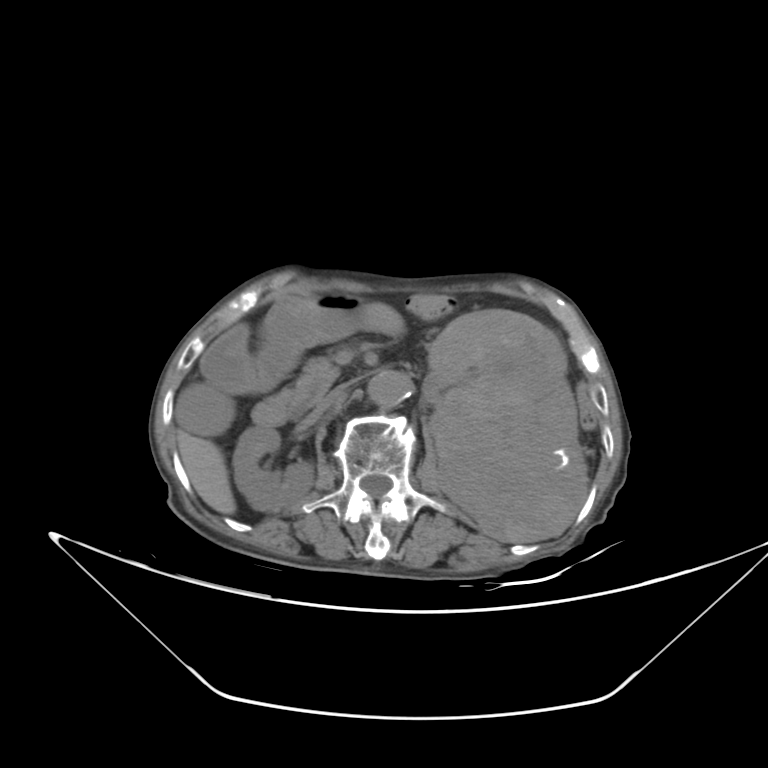

CT abdomen · axial view · W/L 400/40 HU
Coordinates as <box>x1,y1,x2,y2</box> in pixels. 9 labeled organs on this slice — inferior vena cava at <box>316,376,363,412</box>; gall bladder at <box>175,382,234,434</box>; pancreas at <box>288,353,342,414</box>; left kidney at <box>425,310,589,541</box>; duodenum at <box>200,325,290,428</box>; stomach at <box>253,294,365,381</box>; right kidney at <box>233,426,315,513</box>; aorta at <box>368,372,412,406</box>; liver at <box>178,430,235,514</box>.